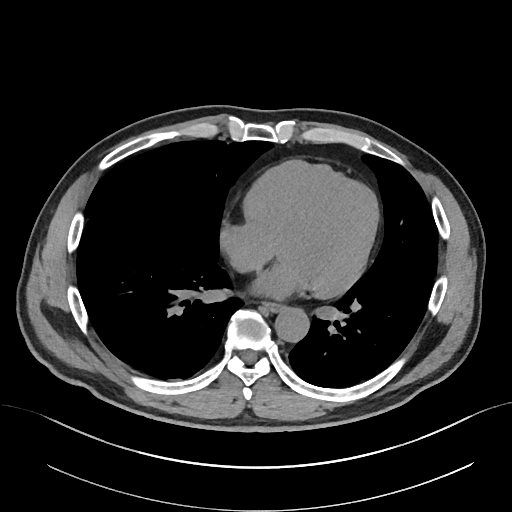

Lower-chest slice from an abdominal CT, just above the liver and spleen — axial plane, index 254
The heart and lungs are never labeled in this dataset, so they have no box on this slice.
{"organs":{"esophagus":[263,301,283,311],"aorta":[275,306,309,341]}}